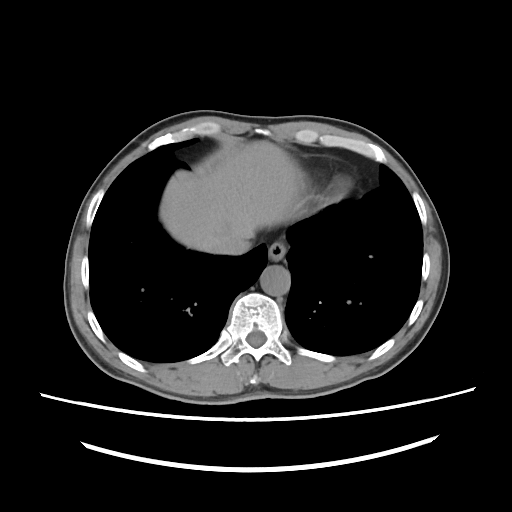 Computed tomography, abdomen — axial plane, index 81 — abdomen soft-tissue window — 512x512 px — 55-year-old male patient
Bounding boxes in pixels, one row per box: x1, y1 is the top-left corner and x2, y2 the bottom-right.
| organ | x1 | y1 | x2 | y2 |
|---|---|---|---|---|
| esophagus | 268 | 242 | 286 | 260 |
| liver | 161 | 140 | 300 | 252 |
| aorta | 260 | 265 | 290 | 295 |
| inferior vena cava | 216 | 234 | 252 | 254 |